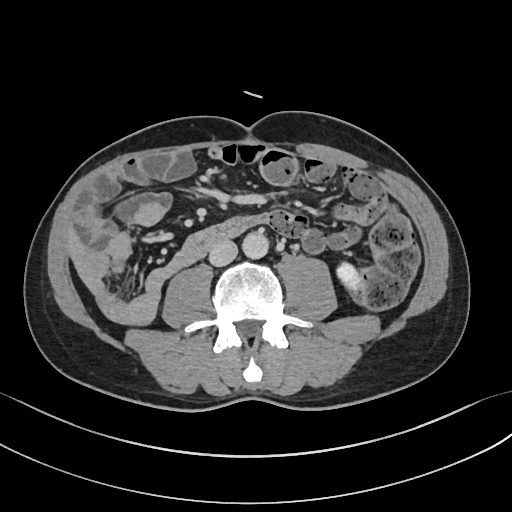
Abdominal CT · axial view · W/L 400/40 HU · 512x512 px · scan has 14 labeled organs (a whole-scan count: organs this slice does not pass through have no box)
Boxes: x1 y1 x2 y2 (pixel coords, space-separated).
left kidney: 338 261 362 290
aorta: 242 232 268 258
inferior vena cava: 208 239 237 266